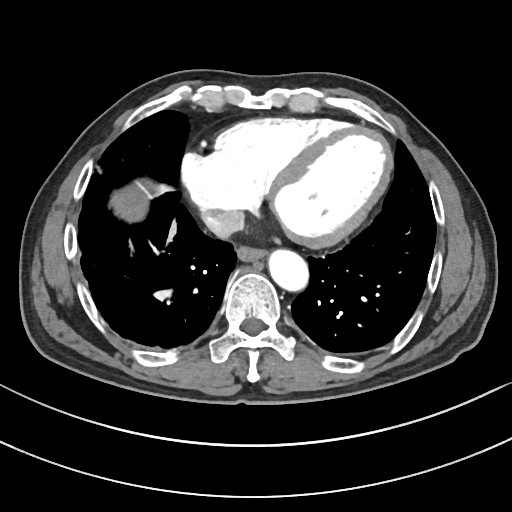

CT, abdomen/pelvis. Axial slice 192/280. soft-tissue window (W 400 / L 40)
<organs><organ name="esophagus" x1="237" y1="246" x2="266" y2="261"/><organ name="liver" x1="118" y1="191" x2="146" y2="218"/><organ name="aorta" x1="268" y1="249" x2="308" y2="291"/><organ name="inferior vena cava" x1="201" y1="208" x2="243" y2="237"/></organs>